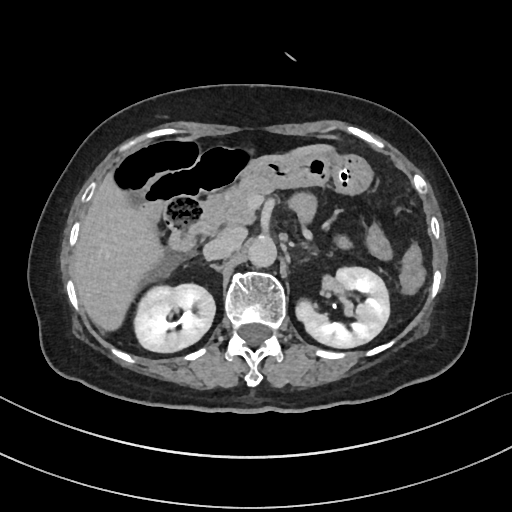
Abdominal CT. axial view. soft-tissue window (W 400 / L 40). 512x512 px. acquired on SOMATOM Force
Boxes: x1:y1:x2:y2 in pixels.
Organ bounding boxes:
- right kidney: 134:284:214:352
- aorta: 247:237:277:268
- left adrenal gland: 297:244:311:251
- left kidney: 295:267:389:348
- stomach: 240:154:374:196
- pancreas: 206:180:274:226
- liver: 71:143:336:331
- duodenum: 169:201:222:252
- inferior vena cava: 203:229:244:260